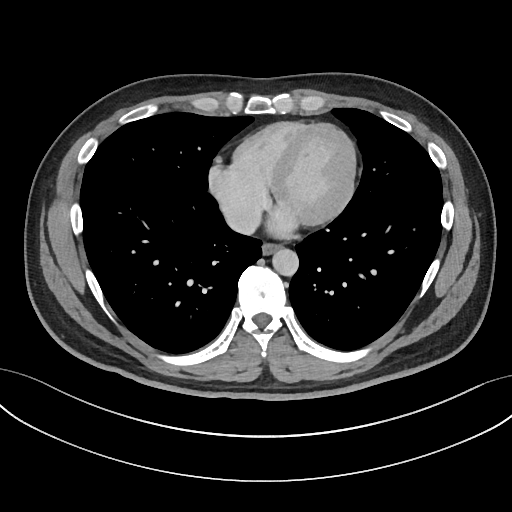
CT of the abdomen reaching into the lower chest, slice just above the liver and spleen. axial view. soft-tissue window, W/L 400/40
No part of the heart or lungs is labeled in this dataset, so neither has a box here.
{"organs":{"esophagus":[261,244,279,255],"aorta":[272,249,299,276],"inferior vena cava":[224,203,262,234]}}